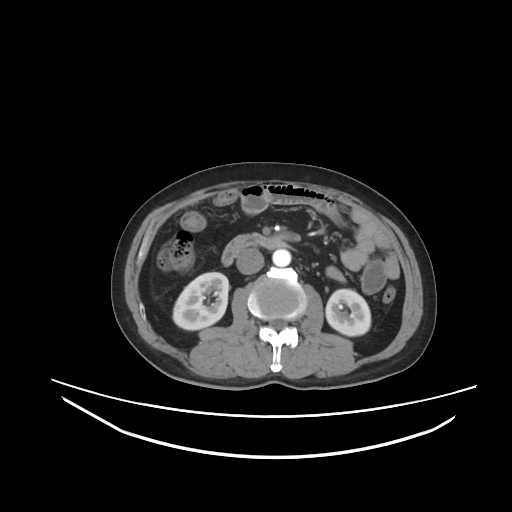
CT, abdomen/pelvis — Axial slice 62/134 — abdomen soft-tissue window — acquired on Aquilion ONE — 15 organs annotated in this scan (a whole-scan count: organs this slice does not pass through have no box)
{"organs":{"right kidney":[173,272,228,330],"left kidney":[326,289,370,335],"aorta":[272,249,291,266],"inferior vena cava":[236,248,264,274],"duodenum":[221,234,292,265]}}